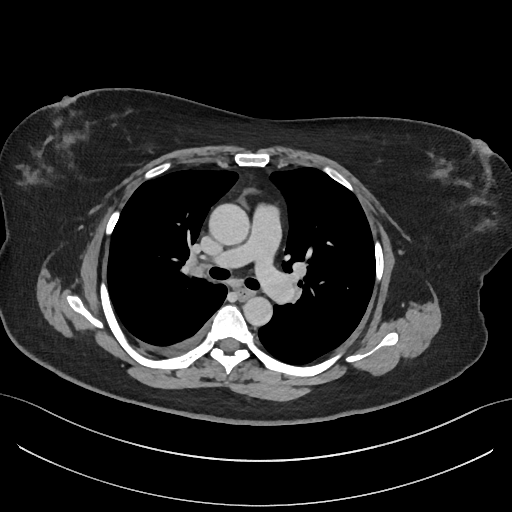

Chest-level slice from an abdominal CT that extends up into the chest. Axial slice 248/305. 512x512 px. scan has 15 labeled organs (that count is for the whole scan; organs this slice misses have no box)
At this level of the chest no structure but the esophagus and the aorta has a label in this dataset, and those two are boxed only where they are labeled. Boxes: x1:y1:x2:y2 in pixels. Labeled organs on this slice: esophagus at 238:289:252:299, aorta at 209:204:250:246, aorta at 243:296:273:326.